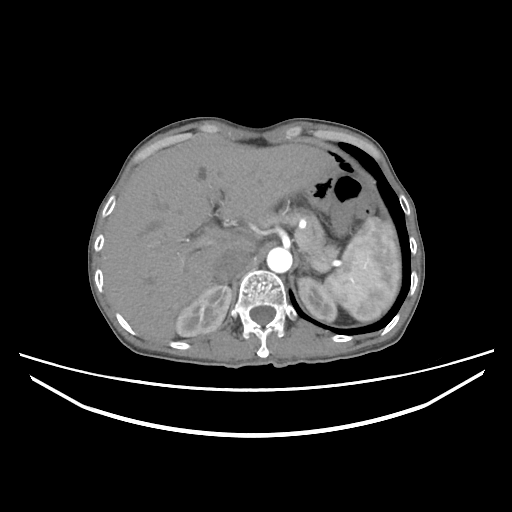 CT, abdomen/pelvis. axial plane, index 65. abdomen soft-tissue window
<organs><organ name="pancreas" x1="256" y1="205" x2="338" y2="263"/><organ name="aorta" x1="266" y1="247" x2="292" y2="273"/><organ name="liver" x1="101" y1="143" x2="329" y2="338"/><organ name="right kidney" x1="176" y1="284" x2="231" y2="336"/><organ name="left kidney" x1="297" y1="277" x2="337" y2="321"/><organ name="spleen" x1="324" y1="217" x2="400" y2="322"/><organ name="inferior vena cava" x1="214" y1="249" x2="249" y2="280"/><organ name="left adrenal gland" x1="301" y1="253" x2="309" y2="271"/></organs>